Computed tomography, abdomen; axial view; W/L 400/40 HU
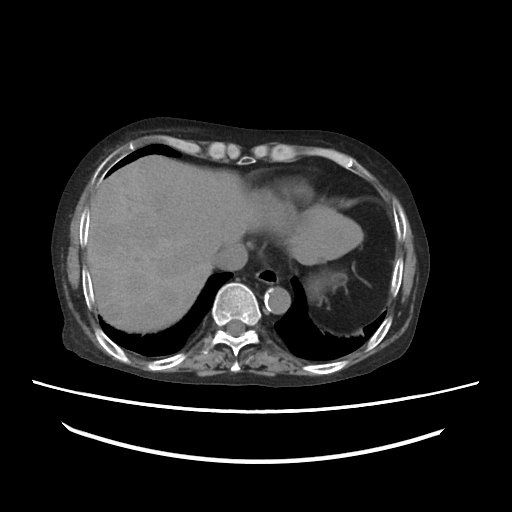 Each box given as x1,y1,x2,y2.
esophagus: x1=255, y1=267, x2=279, y2=284
liver: x1=87, y1=155, x2=363, y2=332
stomach: x1=306, y1=270, x2=346, y2=301
aorta: x1=264, y1=287, x2=290, y2=313
inferior vena cava: x1=214, y1=242, x2=248, y2=270